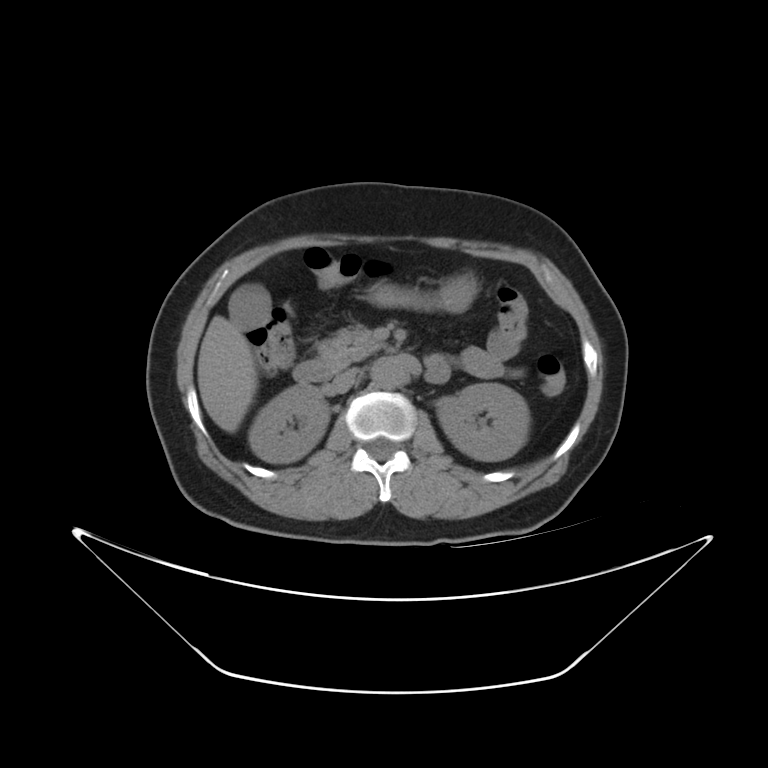

CT abdomen — Axial slice 60/91 — 768x768 px
Boxes: x1 y1 x2 y2 (pixel coords, space-separated).
left kidney: 436 383 530 460
inferior vena cava: 333 368 356 394
liver: 197 315 256 429
right kidney: 248 384 327 465
pancreas: 316 326 383 359
gall bladder: 231 284 271 328
duodenum: 294 353 449 382
stomach: 371 273 473 311
aorta: 370 355 409 385